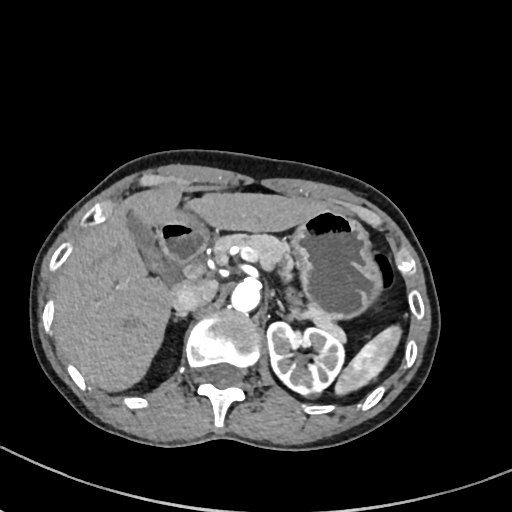 Computed tomography, abdomen; axial view; W/L 400/40 HU; 512x512 px
Boxes are (x1, y1, x2, y2) in pixels.
stomach: (164, 207, 383, 319)
pancreas: (215, 233, 346, 343)
duodenum: (157, 224, 208, 266)
spleen: (334, 324, 400, 393)
right adrenal gland: (177, 312, 186, 317)
left kidney: (266, 321, 344, 399)
liver: (53, 186, 328, 392)
left adrenal gland: (272, 294, 285, 313)
aorta: (230, 281, 260, 313)
inferior vena cava: (172, 277, 216, 312)
gall bladder: (126, 214, 164, 271)